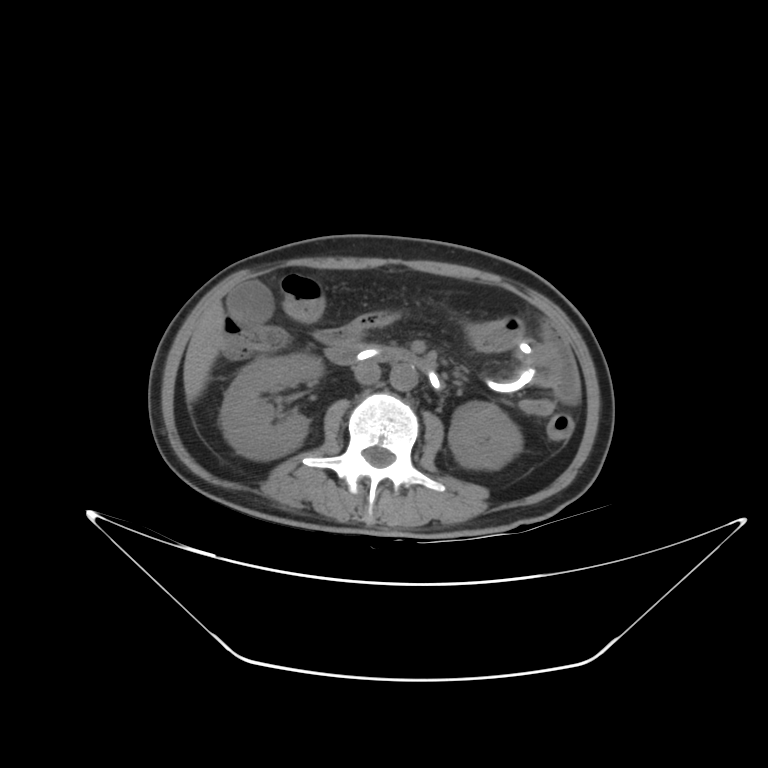

CT abdomen — axial view — soft-tissue window
<organs><organ name="right kidney" x1="220" y1="353" x2="323" y2="460"/><organ name="duodenum" x1="324" y1="345" x2="441" y2="389"/><organ name="inferior vena cava" x1="354" y1="361" x2="380" y2="384"/><organ name="gall bladder" x1="227" y1="283" x2="269" y2="321"/><organ name="left kidney" x1="448" y1="401" x2="522" y2="469"/><organ name="liver" x1="183" y1="305" x2="225" y2="401"/><organ name="aorta" x1="390" y1="363" x2="417" y2="390"/></organs>